Magnetic resonance imaging, abdomen · axial plane, index 29 · 576x468 px
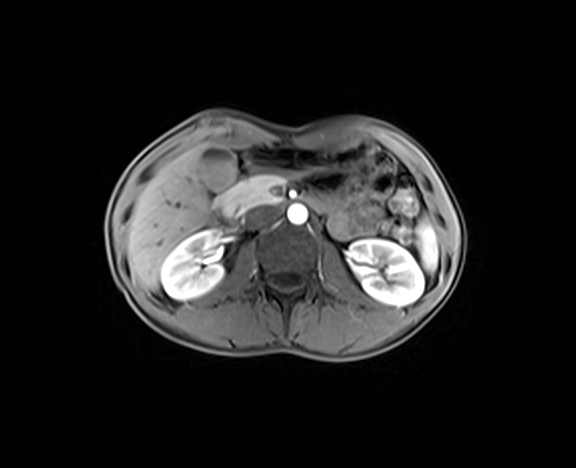

Each box given as x1,y1,x2,y2.
Organ bounding boxes:
- spleen: x1=417, y1=218, x2=437, y2=271
- right kidney: x1=160, y1=230, x2=224, y2=300
- left kidney: x1=349, y1=239, x2=423, y2=305
- gall bladder: x1=202, y1=147, x2=236, y2=191
- liver: x1=127, y1=144, x2=212, y2=290
- stomach: x1=245, y1=142, x2=370, y2=173
- aorta: x1=287, y1=204, x2=307, y2=225
- inferior vena cava: x1=246, y1=208, x2=278, y2=228
- pancreas: x1=221, y1=174, x2=286, y2=215
- duodenum: x1=212, y1=154, x2=324, y2=229